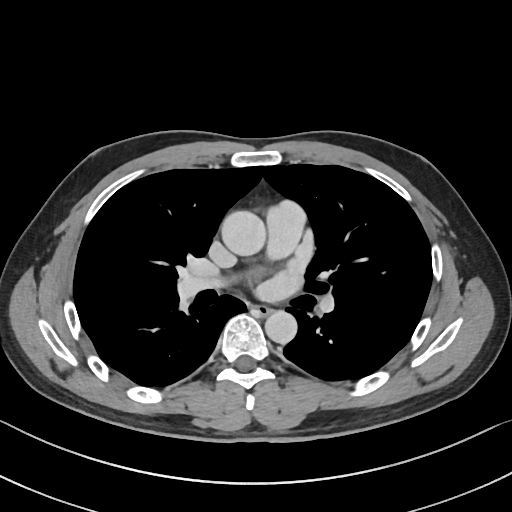 Chest-level CT slice, above the liver and spleen. axial plane, index 224. soft-tissue window, W/L 400/40. acquired on SOMATOM Force
On a slice this high in the chest, this dataset labels only the esophagus and the aorta, and each is boxed only where it is labeled; the heart, lungs and other chest structures are not labeled.
{"organs":{"esophagus":[253,305,272,315],"aorta":[[221,210,265,256],[265,310,297,344]]}}